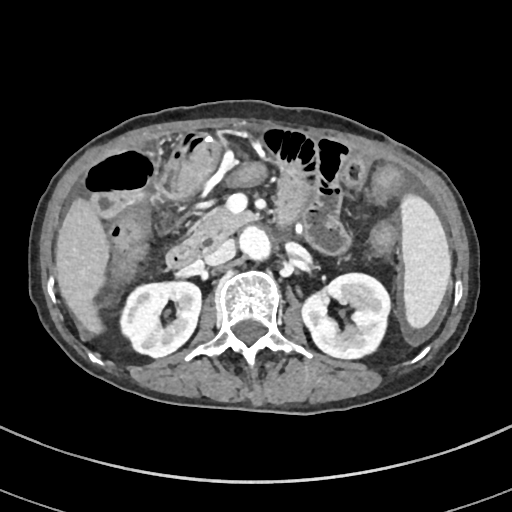

Computed tomography, abdomen — axial view — scan has 14 labeled organs (counted over the whole 3D scan, not this slice; an organ is boxed only where this slice passes through it)
<organs><organ name="spleen" x1="399" y1="192" x2="451" y2="330"/><organ name="right kidney" x1="122" y1="280" x2="201" y2="357"/><organ name="left kidney" x1="300" y1="274" x2="390" y2="360"/><organ name="liver" x1="56" y1="196" x2="110" y2="332"/><organ name="aorta" x1="238" y1="227" x2="273" y2="262"/><organ name="inferior vena cava" x1="204" y1="240" x2="236" y2="265"/><organ name="pancreas" x1="185" y1="209" x2="257" y2="246"/><organ name="duodenum" x1="164" y1="241" x2="200" y2="268"/></organs>